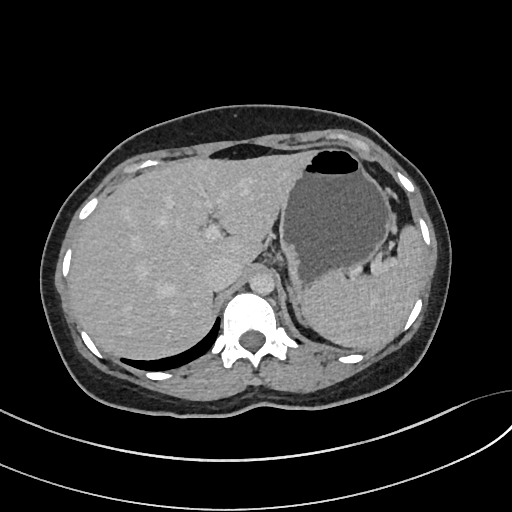
CT abdomen — axial plane, index 176 — W/L 400/40 HU — acquired on SOMATOM Force
Bounding boxes as [x1, y1, x2, y2] in pixel coordinates.
inferior vena cava: [204, 258, 239, 291]
liver: [69, 152, 307, 360]
stomach: [278, 148, 391, 297]
spleen: [302, 228, 424, 348]
left adrenal gland: [285, 281, 303, 322]
aorta: [249, 271, 274, 293]